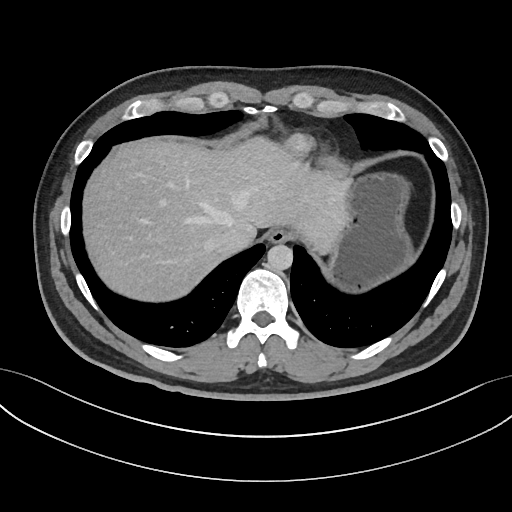

Computed tomography, abdomen · Axial slice 227/345 · 15 organs annotated in this scan (that count is for the whole scan; organs this slice misses have no box)
Box edges are left/top/right/bottom in pixels.
inferior vena cava: left=210, top=227, right=252, bottom=256
aorta: left=267, top=244, right=293, bottom=270
esophagus: left=268, top=228, right=291, bottom=243
liver: left=83, top=136, right=350, bottom=301
stomach: left=330, top=172, right=414, bottom=292